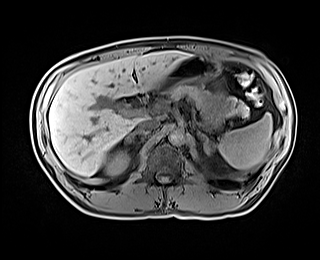

Abdominal MRI; axial view; 320x260 px; acquired on Prisma
Bounding boxes as [x1, y1, x2, y2] in pixel coordinates.
spleen: [218, 113, 272, 169]
right kidney: [105, 150, 129, 175]
liver: [49, 51, 190, 176]
stomach: [156, 55, 226, 127]
aorta: [169, 129, 183, 144]
inferior vena cava: [137, 119, 159, 131]
pancreas: [169, 84, 250, 118]
right adrenal gland: [125, 131, 148, 142]
left adrenal gland: [196, 132, 210, 154]